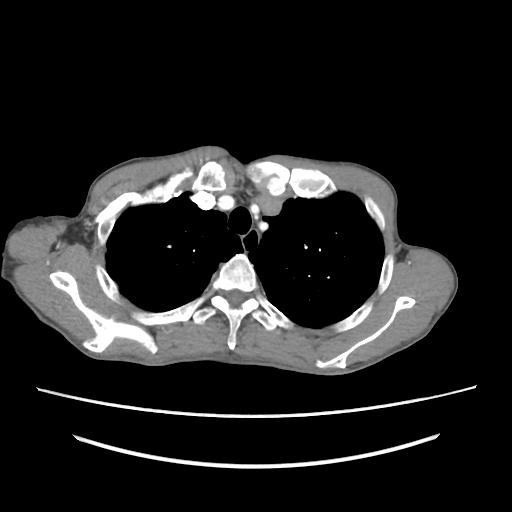

CT of the abdomen extending into the chest, slice through the chest — Axial slice 115/126 — soft-tissue window (W 400 / L 40) — acquired on Aquilion ONE
At this level of the chest no structure but the esophagus and the aorta has a label in this dataset, and those two are boxed only where they are labeled. Bounding boxes as [x1, y1, x2, y2] in pixel coordinates. Labeled organs on this slice: esophagus at [241, 229, 258, 249].